CT abdomen. axial view. 512x512 px. scan has 15 labeled organs (a whole-scan count: organs this slice does not pass through have no box)
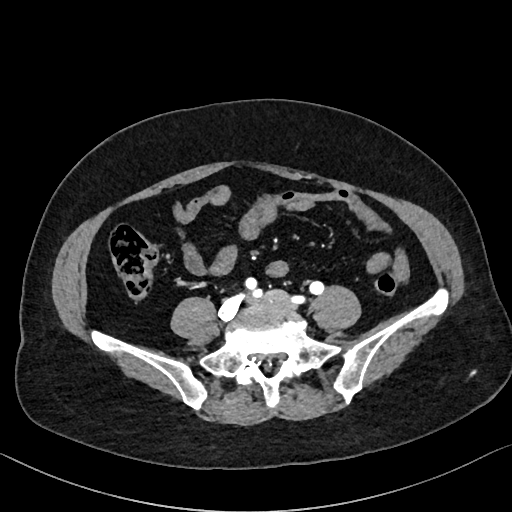

Coordinates as <box>x1,y1,x2,y2</box> in pixels.
Organ bounding boxes:
- aorta: <box>252,284,254,285</box>